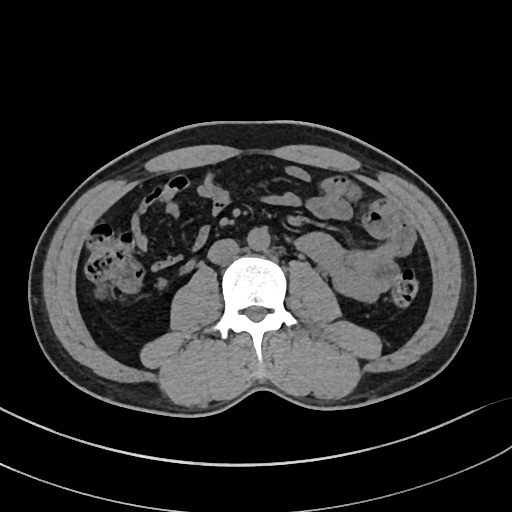 CT abdomen · axial view
{"organs":{"aorta":[247,226,270,251],"inferior vena cava":[208,239,238,264]}}